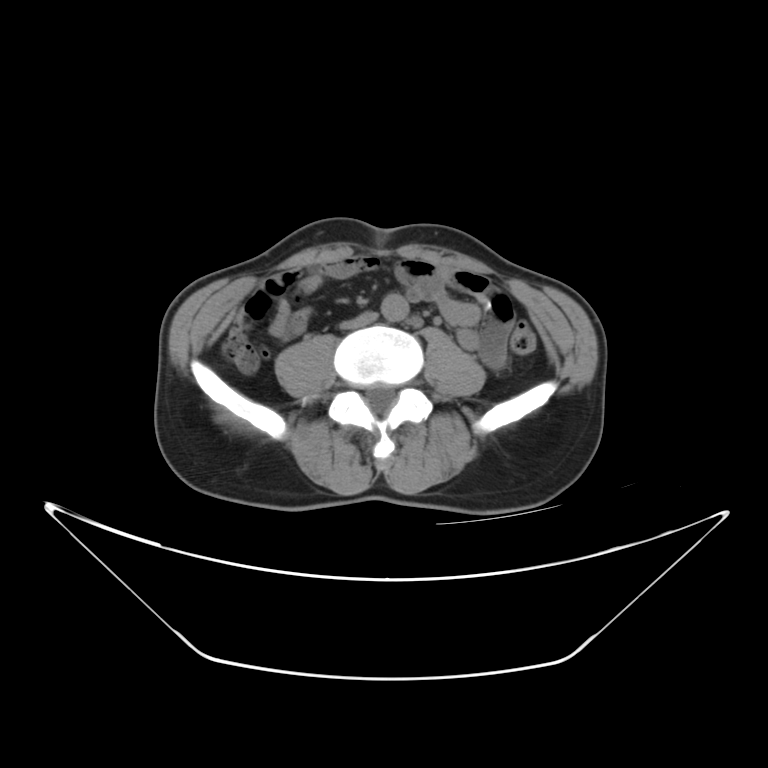
CT, abdomen/pelvis. axial view. abdomen soft-tissue window. 768x768 px
Boxes are (x1, y1, x2, y2) in pixels.
aorta: (381, 294, 408, 322)
inferior vena cava: (340, 311, 378, 331)